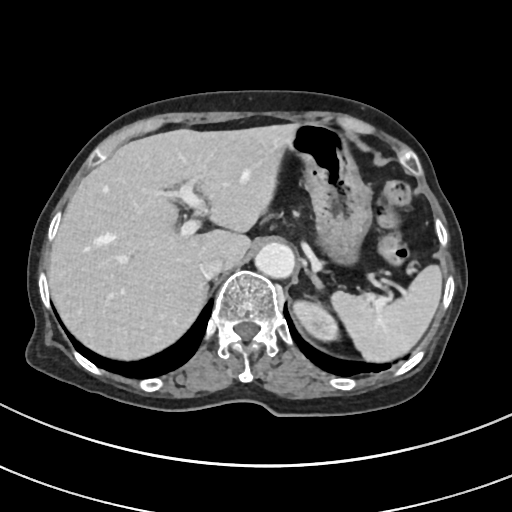

CT, abdomen/pelvis — axial view — soft-tissue window — 512x512 px
Boxes: x1:y1:x2:y2 in pixels.
left adrenal gland: 309:271:322:287
inferior vena cava: 198:255:225:278
stomach: 287:123:371:264
left kidney: 293:300:339:341
liver: 48:124:296:359
spleen: 331:265:442:362
aorta: 255:242:294:278